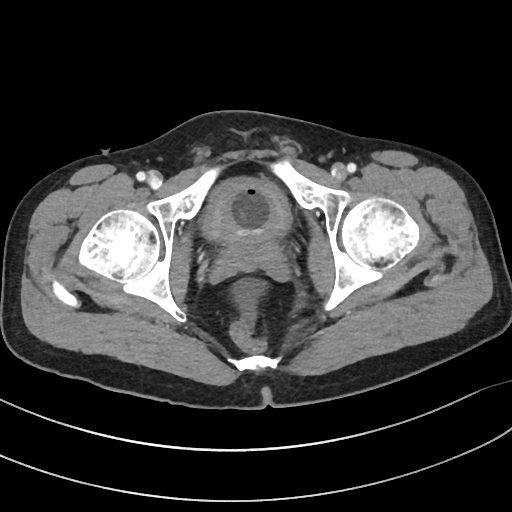

Computed tomography, abdomen · Axial slice 21/251 · scan has 15 labeled organs (that count is for the whole scan; organs this slice misses have no box)
Boxes: x1:y1:x2:y2 in pixels.
Organ bounding boxes:
- bladder: 200:178:291:242
- prostate/uterus: 227:236:275:262